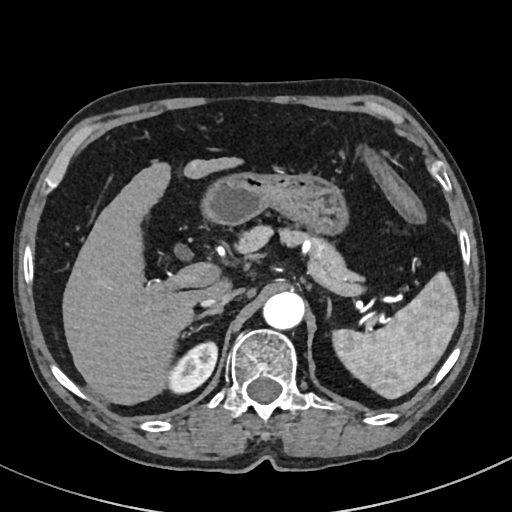

Abdominal CT — axial view — soft-tissue window
Bounding boxes as [x1, y1, x2, y2] in pixel coordinates. Labeled organs on this slice: spleen at [330, 272, 458, 398], right kidney at [167, 344, 216, 393], liver at [62, 156, 245, 406], stomach at [204, 173, 347, 237], aorta at [261, 291, 303, 330], inferior vena cava at [199, 287, 241, 308], pancreas at [239, 226, 359, 284], right adrenal gland at [196, 307, 222, 320], left adrenal gland at [327, 298, 330, 317].